CT abdomen · axial plane, index 143 · soft-tissue window · 512x512 px · acquired on SOMATOM Force
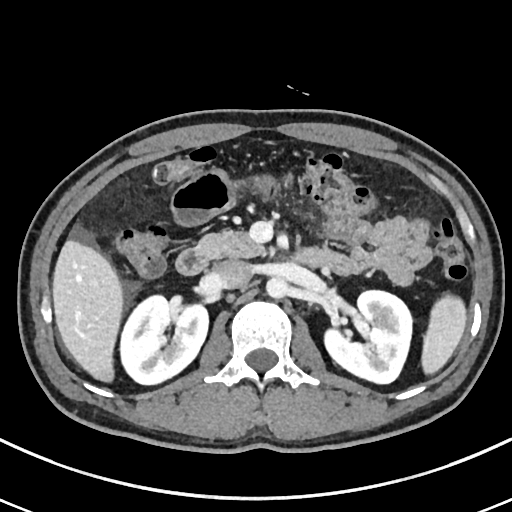

<organs><organ name="spleen" x1="423" y1="295" x2="467" y2="374"/><organ name="right kidney" x1="121" y1="294" x2="209" y2="385"/><organ name="left kidney" x1="322" y1="290" x2="411" y2="384"/><organ name="liver" x1="52" y1="239" x2="125" y2="383"/><organ name="aorta" x1="266" y1="277" x2="289" y2="299"/><organ name="inferior vena cava" x1="211" y1="259" x2="251" y2="288"/><organ name="pancreas" x1="196" y1="228" x2="265" y2="258"/><organ name="duodenum" x1="175" y1="248" x2="333" y2="275"/></organs>